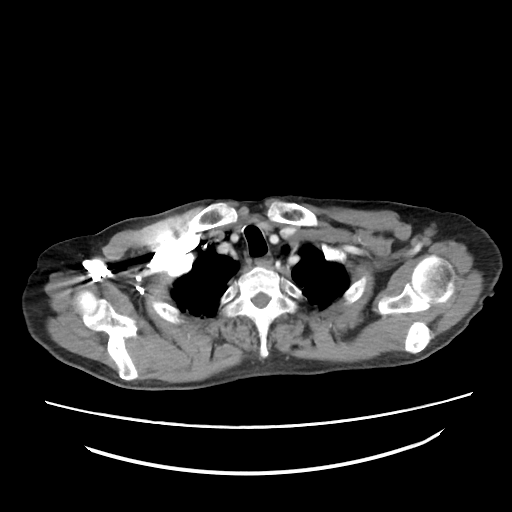
Abdominal CT reaching into the chest; this slice is in the chest. Axial slice 129/135. soft-tissue window
At this level of the chest no structure but the esophagus and the aorta has a label in this dataset, and those two are boxed only where they are labeled.
Coordinates as <box>x1,y1,x2,y2</box> in pixels.
Organ bounding boxes:
- esophagus: <box>256,255,271,266</box>